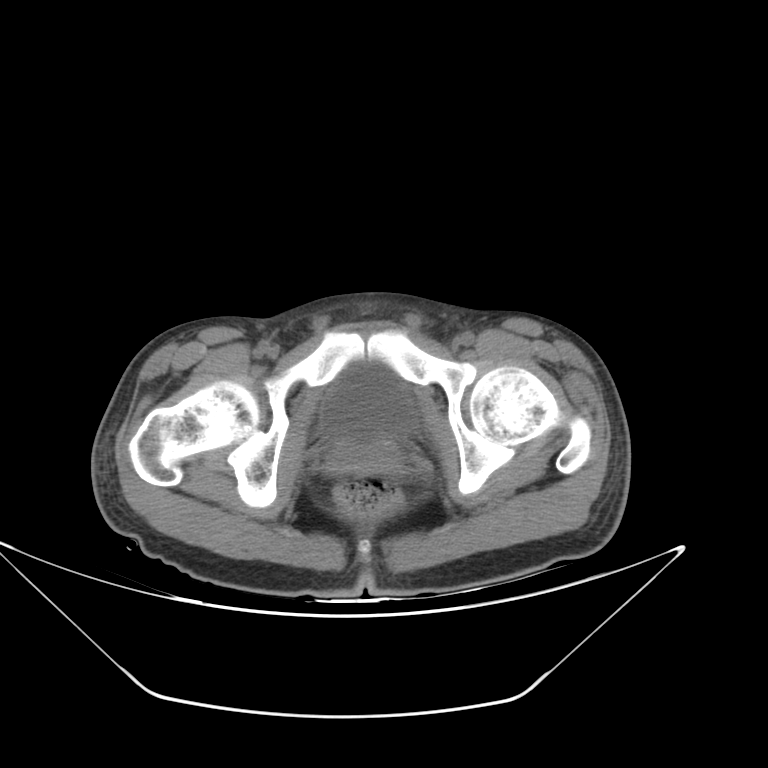

Computed tomography, abdomen. axial plane, index 14. abdomen soft-tissue window. 768x768 px
<organs><organ name="prostate/uterus" x1="335" y1="442" x2="392" y2="460"/><organ name="bladder" x1="324" y1="362" x2="417" y2="449"/></organs>